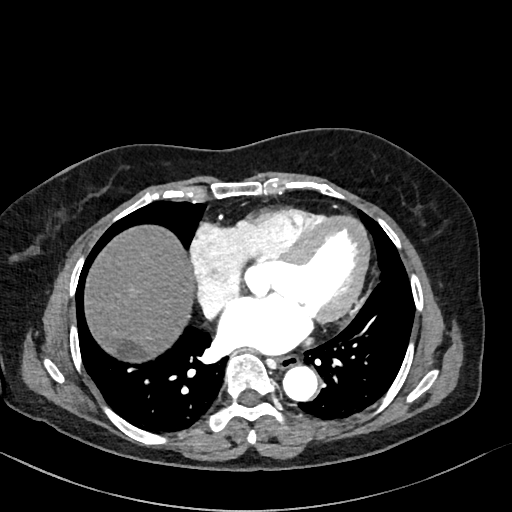

CT abdomen — axial view — soft-tissue window (W 400 / L 40) — scan has 15 labeled organs (that count is for the whole scan; organs this slice misses have no box)
{"organs":{"liver":[84,225,194,362],"aorta":[283,365,318,401],"inferior vena cava":[200,299,223,317],"esophagus":[276,354,298,368]}}